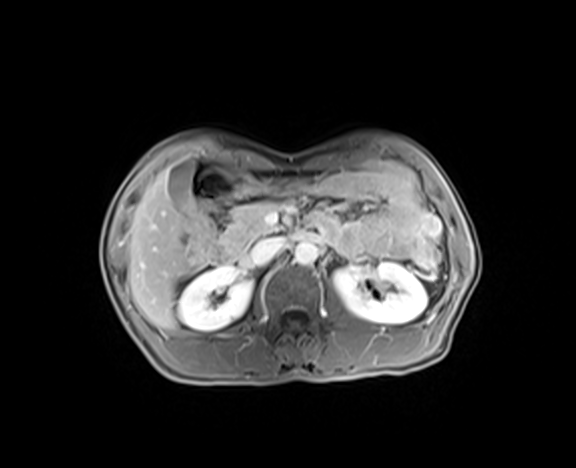

Magnetic resonance imaging, abdomen; axial plane, index 36; 1st–99th percentile window; Prisma scanner
Boxes: x1:y1:x2:y2 in pixels.
right kidney: 177:266:252:331
left kidney: 333:262:427:323
gall bladder: 168:160:193:210
liver: 128:171:187:329
stomach: 260:180:300:193
aorta: 294:241:317:266
inferior vena cava: 249:237:285:264
pancreas: 223:201:278:256
duodenum: 191:159:261:262